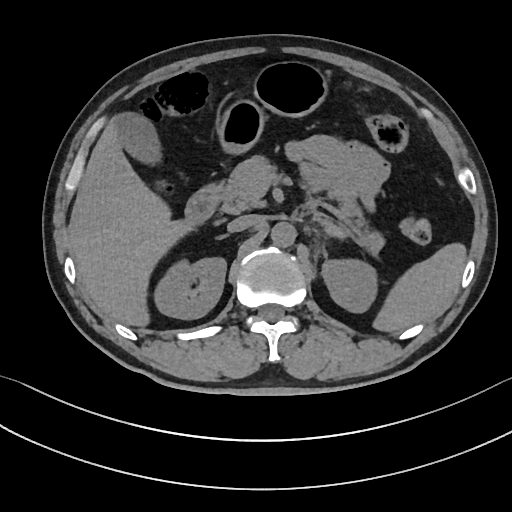 CT abdomen. axial plane, index 163
Bounding boxes in pixels, one row per box: x1, y1 is the top-left corner and x2, y2 the bottom-right.
| organ | x1 | y1 | x2 | y2 |
|---|---|---|---|---|
| spleen | 371 | 241 | 467 | 333 |
| right kidney | 156 | 258 | 226 | 319 |
| left kidney | 322 | 260 | 375 | 312 |
| gall bladder | 116 | 112 | 159 | 163 |
| liver | 68 | 116 | 193 | 327 |
| stomach | 222 | 60 | 326 | 153 |
| aorta | 270 | 221 | 296 | 248 |
| inferior vena cava | 227 | 214 | 259 | 232 |
| pancreas | 223 | 154 | 385 | 250 |
| right adrenal gland | 220 | 234 | 229 | 238 |
| duodenum | 185 | 183 | 222 | 223 |